Abdominal CT. axial view. W/L 400/40 HU. 512x512 px. 58-year-old male patient
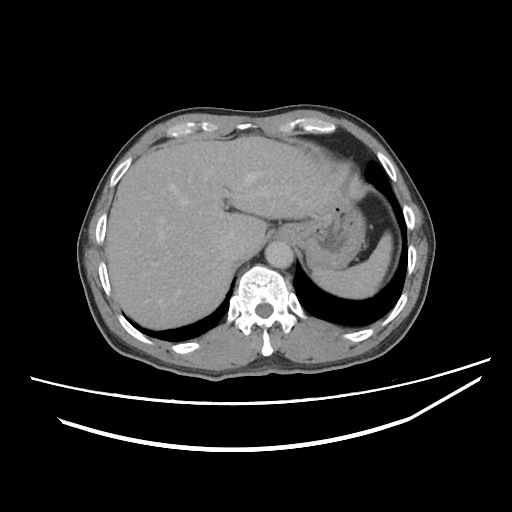
{"organs":{"inferior vena cava":[213,235,246,267],"stomach":[299,191,364,267],"esophagus":[279,222,300,240],"aorta":[265,241,293,268],"liver":[106,137,339,329],"spleen":[313,232,390,297]}}